Abdominal MR; axial view
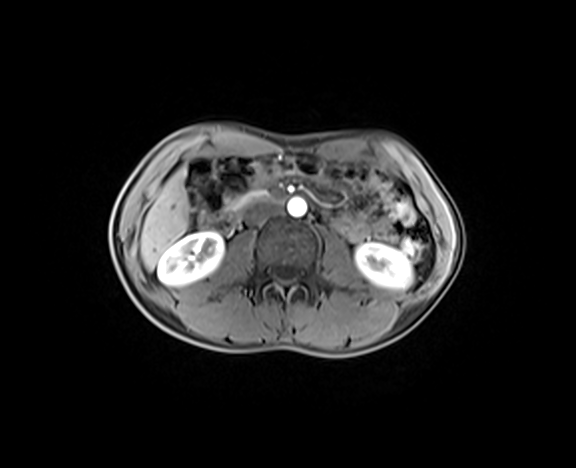
Boxes: x1 y1 x2 y2 (pixel coords, space-separated). Labeled organs on this slice: aorta at 287 198 306 217, pancreas at 232 190 265 208, left kidney at 355 243 412 288, inferior vena cava at 245 202 281 224, duodenum at 219 191 289 228, liver at 140 170 190 270, right kidney at 158 232 224 286.